CT abdomen · axial plane, index 45 · W/L 400/40 HU
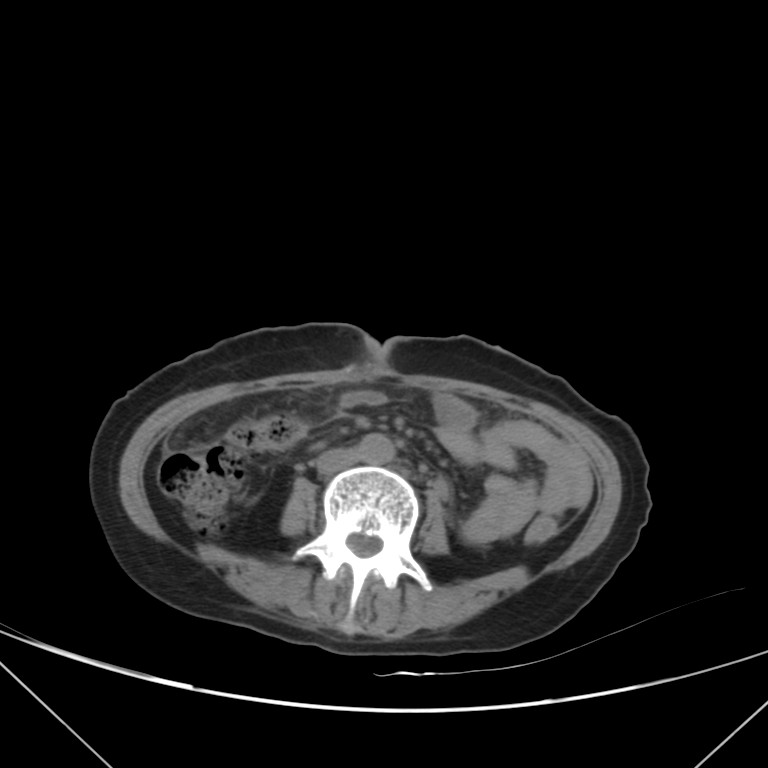
Bounding boxes in pixels, one row per box: x1, y1 is the top-left corner and x2, y2 the bottom-right.
| organ | x1 | y1 | x2 | y2 |
|---|---|---|---|---|
| inferior vena cava | 316 | 448 | 361 | 474 |
| aorta | 359 | 433 | 395 | 464 |